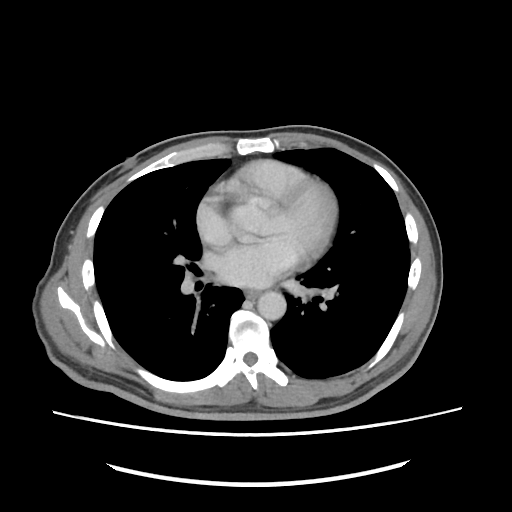

Chest-level slice from an abdominal CT that extends up into the chest · axial view · 512x512 px · 54-year-old male patient · scan has 15 labeled organs (a whole-scan count: organs this slice does not pass through have no box)
On a slice this high in the chest, this dataset labels only the esophagus and the aorta, and each is boxed only where it is labeled; the heart, lungs and other chest structures are not labeled. Boxes: x1 y1 x2 y2 (pixel coords, space-separated). 2 labeled organs on this slice — esophagus at 245 289 259 299; aorta at 257 291 286 320.